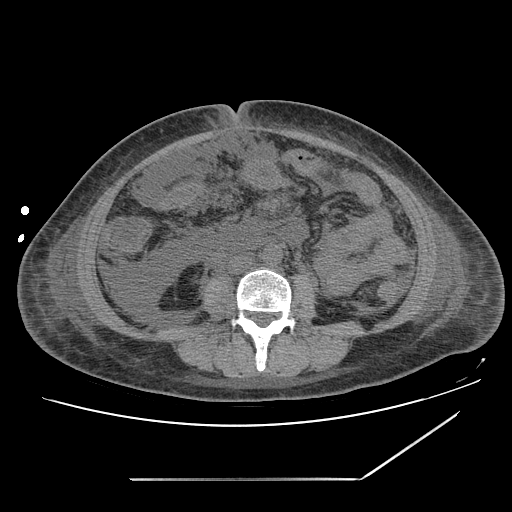
Abdominal CT — Axial slice 88/191
Each box given as x1,y1,x2,y2. 2 labeled organs on this slice — aorta at x1=261, y1=245, x2=282, y2=265; inferior vena cava at x1=228, y1=255, x2=253, y2=273.